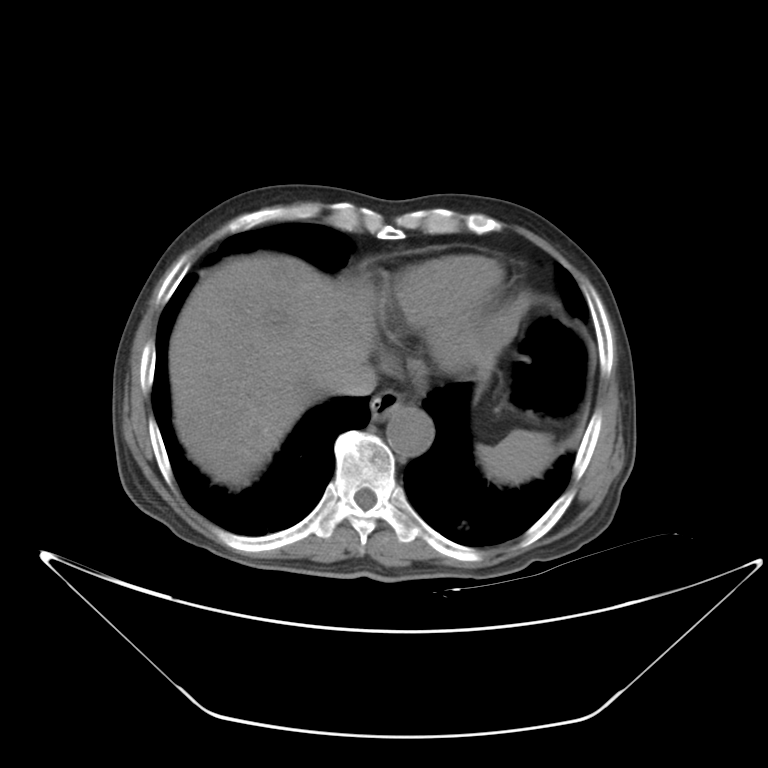
Abdominal CT. axial plane, index 83. 768x768 px. Brilliance16 scanner
Boxes are (x1, y1, x2, y2) in pixels.
Organ bounding boxes:
- esophagus: (369, 391, 405, 421)
- aorta: (386, 407, 433, 456)
- inferior vena cava: (326, 360, 377, 396)
- liver: (169, 254, 376, 488)
- spleen: (476, 429, 555, 484)